Chest-level slice from an abdominal CT that extends up into the chest; axial view; acquired on SOMATOM Force
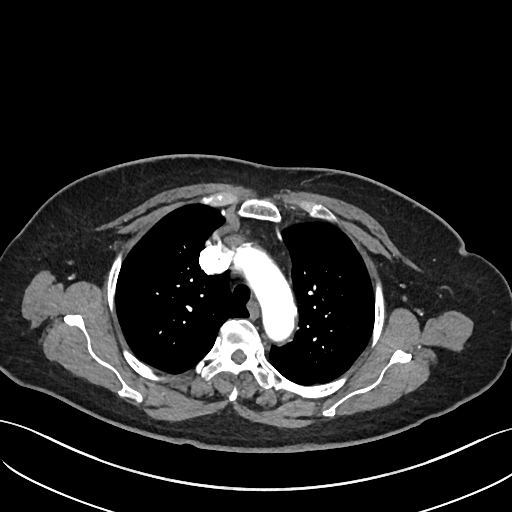

At this level of the chest this dataset labels only the esophagus and the aorta, and each is boxed only where it is labeled; the heart and lungs are never labeled.
<organs><organ name="esophagus" x1="247" y1="302" x2="258" y2="317"/><organ name="aorta" x1="234" y1="245" x2="296" y2="341"/></organs>